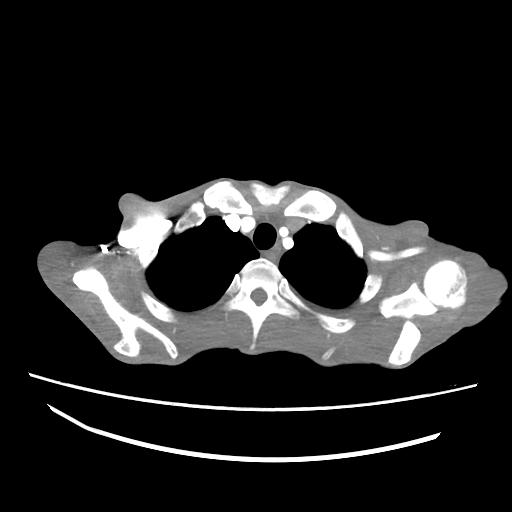 CT of the abdomen extending into the chest, slice through the chest. axial view
At this level of the chest no structure but the esophagus and the aorta has a label in this dataset, and those two are boxed only where they are labeled.
Boxes: x1:y1:x2:y2 in pixels.
Organ bounding boxes:
- esophagus: 265:246:280:260